CT abdomen. Axial slice 158/222. W/L 400/40 HU. 512x512 px
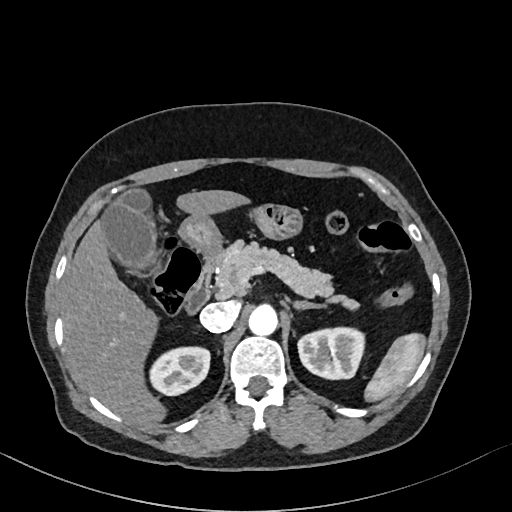

Boxes are (x1, y1, x2, y2) in pixels.
Organ bounding boxes:
- spleen: (363, 331, 426, 402)
- right kidney: (150, 347, 209, 395)
- left kidney: (296, 328, 364, 379)
- gall bladder: (101, 190, 156, 269)
- liver: (62, 190, 253, 425)
- stomach: (179, 205, 304, 255)
- aorta: (248, 306, 277, 336)
- inferior vena cava: (200, 302, 238, 332)
- pancreas: (216, 241, 358, 311)
- right adrenal gland: (195, 326, 199, 329)
- left adrenal gland: (292, 301, 326, 310)
- duodenum: (185, 254, 222, 313)